CT, abdomen/pelvis. axial plane, index 152. abdomen soft-tissue window. 512x512 px
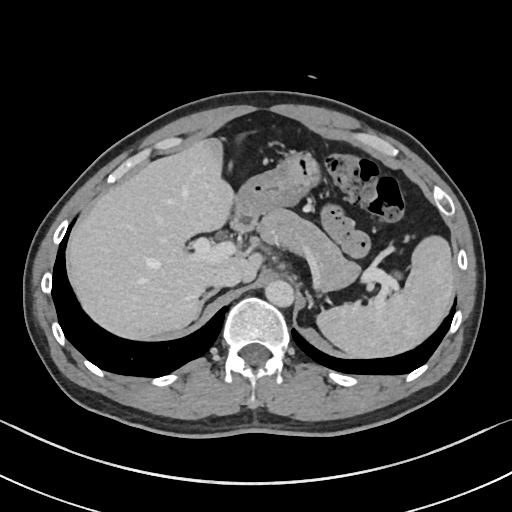
Bounding boxes as [x1, y1, x2, y2] in pixel coordinates.
Organ bounding boxes:
- stomach: [232, 153, 317, 221]
- pancreas: [259, 207, 357, 290]
- inferior vena cava: [210, 263, 240, 286]
- right adrenal gland: [196, 287, 220, 317]
- liver: [66, 138, 264, 340]
- spleen: [318, 238, 454, 358]
- duodenum: [228, 212, 254, 228]
- aorta: [265, 278, 294, 306]